Abdominal CT; axial view; 512x512 px
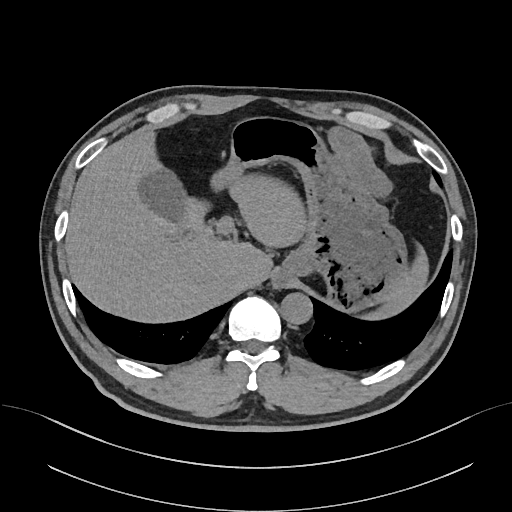
Bounding boxes in pixels, one row per box: x1, y1 is the top-left corner and x2, y2 the bottom-right.
| organ | x1 | y1 | x2 | y2 |
|---|---|---|---|---|
| gall bladder | 141 | 172 | 182 | 217 |
| esophagus | 270 | 270 | 290 | 289 |
| liver | 66 | 129 | 427 | 322 |
| stomach | 213 | 117 | 407 | 308 |
| aorta | 281 | 293 | 312 | 324 |
| inferior vena cava | 230 | 269 | 248 | 286 |